Chest-level CT slice, above the liver and spleen — axial view — soft-tissue window, W/L 400/40 — 512x512 px
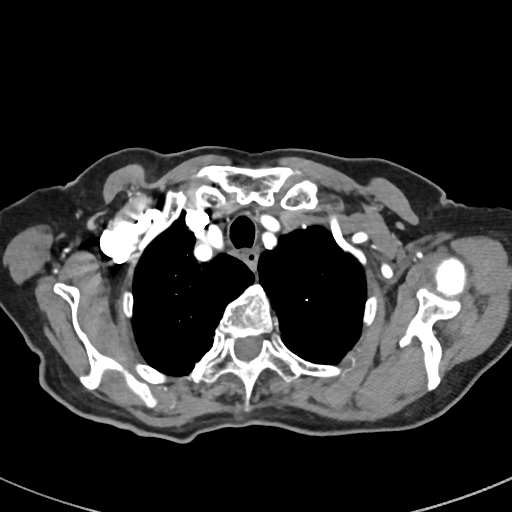 At this level of the chest no structure but the esophagus and the aorta has a label in this dataset, and those two are boxed only where they are labeled. Bounding boxes as [x1, y1, x2, y2] in pixel coordinates. 1 labeled organ on this slice — esophagus at [244, 248, 258, 270].